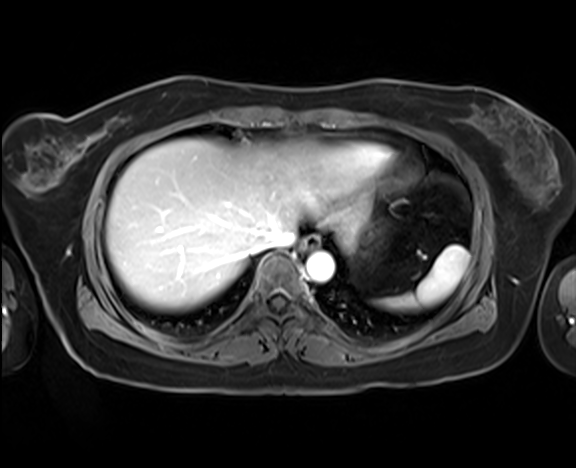

Abdominal MRI · axial view · Prisma scanner
Each box given as x1,y1,x2,y2. The annotated organs in this slice are: spleen at x1=382, y1=245, x2=468, y2=309, esophagus at x1=301, y1=235, x2=320, y2=250, liver at x1=106, y1=138, x2=373, y2=309, aorta at x1=306, y1=251, x2=334, y2=282, inferior vena cava at x1=254, y1=229, x2=295, y2=252.